CT, abdomen/pelvis — Axial slice 65/88 — soft-tissue window (W 400 / L 40) — SOMATOM Force scanner
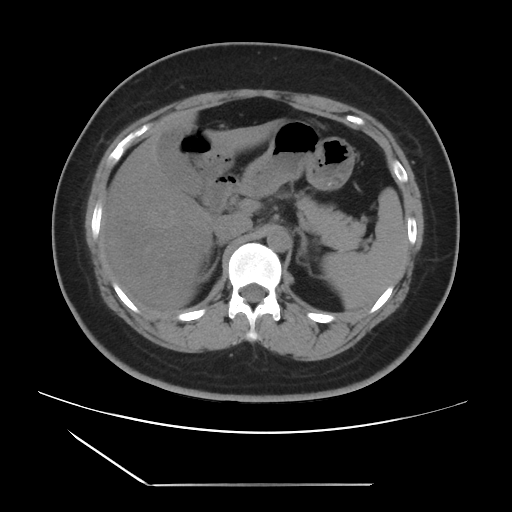 Coordinates as <box>x1,y1,x2,y2</box> in pixels.
Organ bounding boxes:
- pancreas: <box>296,195,365,250</box>
- left adrenal gland: <box>297,229,308,255</box>
- stomach: <box>239,120,355,196</box>
- gall bladder: <box>157,130,204,196</box>
- aorta: <box>266,226,290,252</box>
- liver: <box>104,110,285,311</box>
- duodenum: <box>203,174,239,215</box>
- spleen: <box>321,187,406,310</box>
- inferior vena cava: <box>213,215,252,241</box>
- right adrenal gland: <box>200,240,226,281</box>